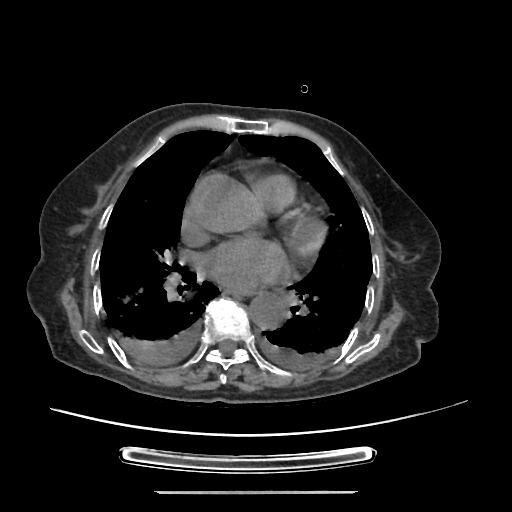
Abdominal CT; this slice is in the lower chest, just above the liver — axial view — soft-tissue window — acquired on SOMATOM Force
No part of the heart or lungs is labeled in this dataset, so neither has a box here. Boxes: x1 y1 x2 y2 (pixel coords, space-separated). The annotated organs in this slice are: esophagus at 228 290 254 295, aorta at 249 292 286 328.